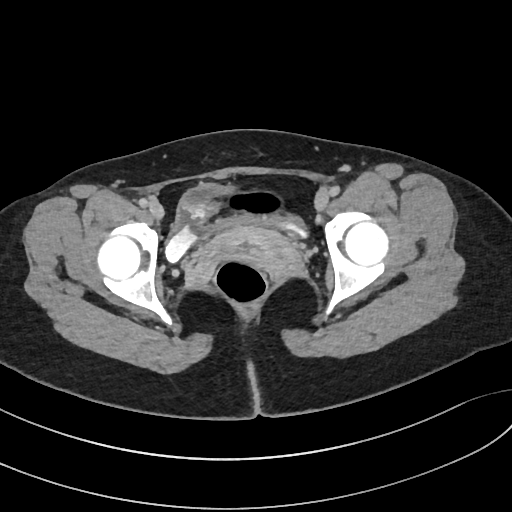 CT abdomen; Axial slice 39/219; 15 organs annotated in this scan (a whole-scan count: organs this slice does not pass through have no box)
Boxes are (x1, y1, x2, y2) in pixels.
Organ bounding boxes:
- bladder: (165, 182, 308, 262)
- prostate/uterus: (207, 227, 300, 277)